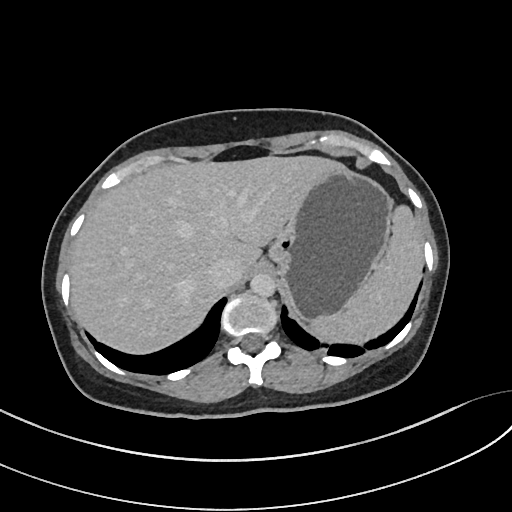
Abdominal CT. axial view. soft-tissue window (W 400 / L 40). 512x512 px. acquired on SOMATOM Force
Boxes: x1:y1:x2:y2 in pixels.
Organ bounding boxes:
- spleen: 310:206:423:344
- inferior vena cava: 207:259:239:288
- liver: 70:155:346:355
- stomach: 271:167:393:320
- aorta: 250:273:275:297